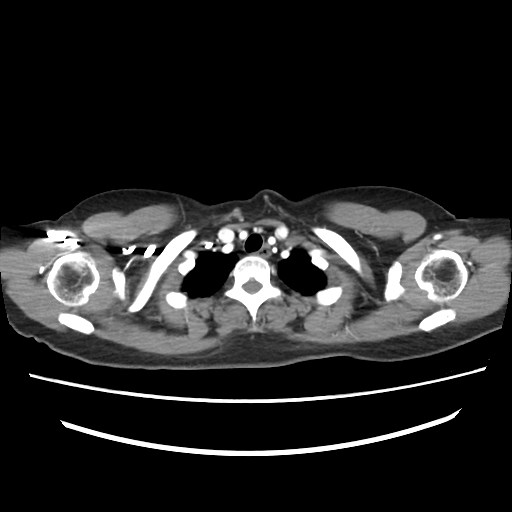

Chest-level slice from an abdominal CT that extends up into the chest; axial view; 45-year-old female patient
On a slice this high in the chest, this dataset labels only the esophagus and the aorta, and each is boxed only where it is labeled; the heart, lungs and other chest structures are not labeled.
Box edges are left/top/right/bottom in pixels.
Organ bounding boxes:
- esophagus: left=258, top=245, right=270, bottom=257